CT, abdomen/pelvis — axial plane, index 156 — abdomen soft-tissue window — 512x512 px — acquired on SOMATOM Force
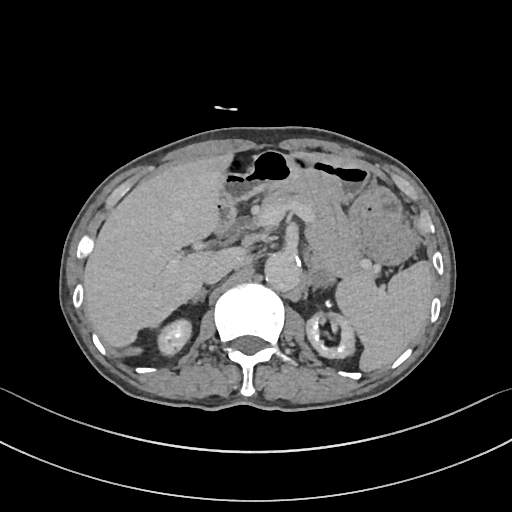 Each box given as x1,y1,x2,y2.
spleen: x1=335, y1=261, x2=433, y2=371
right kidney: x1=156, y1=319, x2=192, y2=355
left kidney: x1=306, y1=312, x2=356, y2=358
liver: x1=84, y1=153, x2=323, y2=347
stomach: x1=219, y1=150, x2=415, y2=263
aorta: x1=264, y1=251, x2=300, y2=290
inferior vena cava: x1=202, y1=248, x2=240, y2=283
pancreas: x1=259, y1=185, x2=378, y2=279
right adrenal gland: x1=192, y1=289, x2=205, y2=301
left adrenal gland: x1=312, y1=269, x2=327, y2=286
duodenum: x1=216, y1=185, x2=248, y2=232